Abdominal CT. axial plane, index 128. 15 organs annotated in this scan (counted over the whole 3D scan, not this slice; an organ is boxed only where this slice passes through it)
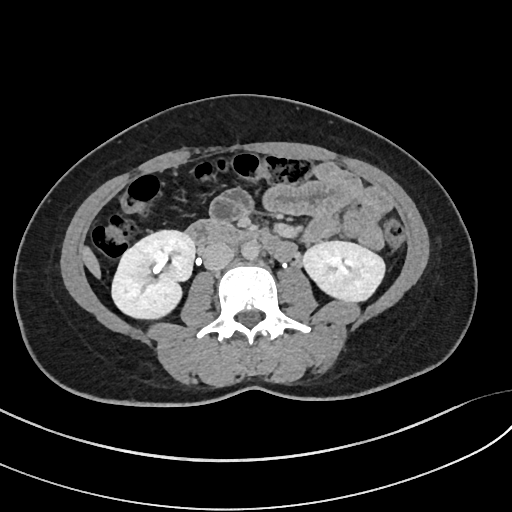

Box edges are left/top/right/bottom in pixels.
right kidney: left=112, top=230, right=194, bottom=318
left kidney: left=303, top=241, right=384, bottom=301
liver: left=82, top=246, right=100, bottom=277
aorta: left=241, top=242, right=259, bottom=259
inferior vena cava: left=202, top=243, right=234, bottom=271
duodenum: left=185, top=220, right=297, bottom=261